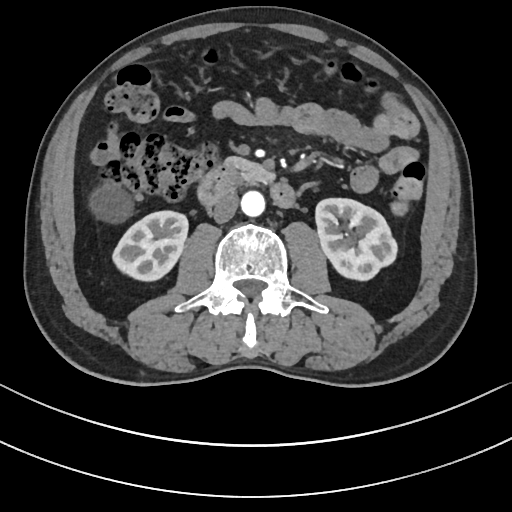
Abdominal CT. axial plane, index 113. soft-tissue window. acquired on SOMATOM Force
Boxes are (x1, y1, x2, y2) in pixels.
Organ bounding boxes:
- duodenum: (197, 161, 294, 207)
- liver: (89, 186, 130, 220)
- right kidney: (112, 211, 188, 280)
- aorta: (241, 191, 265, 216)
- left kidney: (315, 198, 397, 280)
- pancreas: (228, 157, 276, 184)
- inferior vena cava: (212, 193, 238, 223)